CT of the abdomen reaching into the lower chest, slice just above the liver and spleen. axial view. soft-tissue window
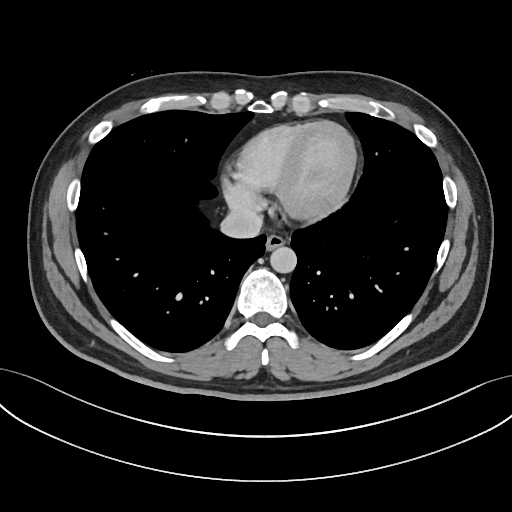

The heart and lungs are never labeled in this dataset, so they have no box on this slice. Boxes are (x1, y1, x2, y2) in pixels. 3 labeled organs on this slice — inferior vena cava at (221, 210, 262, 237); esophagus at (264, 235, 284, 251); aorta at (270, 247, 297, 273).